CT of the abdomen extending into the chest, slice through the chest. Axial slice 231/306. soft-tissue window (W 400 / L 40). 512x512 px. acquired on SOMATOM Force
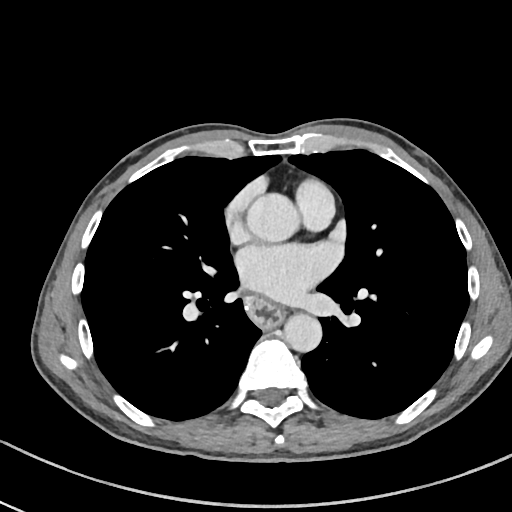

On a slice this high in the chest, this dataset labels only the esophagus and the aorta, and each is boxed only where it is labeled; the heart, lungs and other chest structures are not labeled.
<organs><organ name="esophagus" x1="246" y1="294" x2="281" y2="328"/><organ name="aorta" x1="246" y1="194" x2="300" y2="241"/><organ name="aorta" x1="283" y1="312" x2="321" y2="351"/></organs>